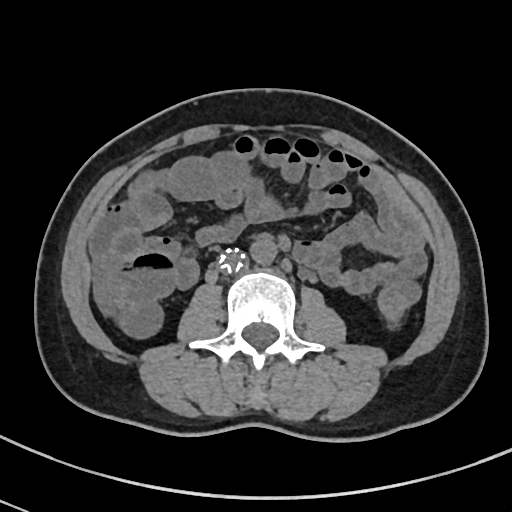 CT, abdomen/pelvis. Axial slice 122/218. soft-tissue window (W 400 / L 40)
One row per box, in pixels: columns x1 and y1 give the top-left corner, x2 and y2 the bottom-right.
| organ | x1 | y1 | x2 | y2 |
|---|---|---|---|---|
| aorta | 250 | 236 | 276 | 264 |
| inferior vena cava | 216 | 249 | 246 | 272 |